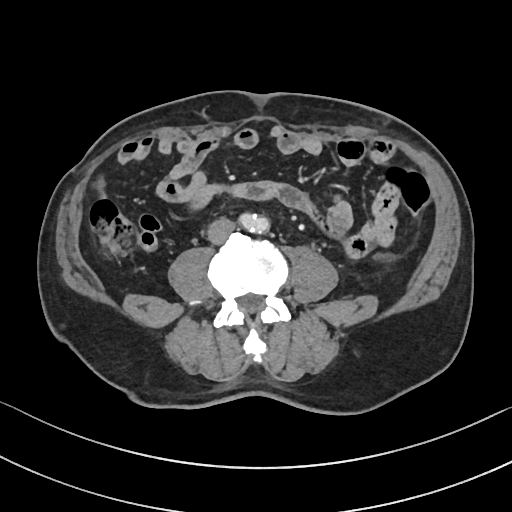 CT, abdomen/pelvis; axial view
{"organs":{"inferior vena cava":[208,219,235,244]}}